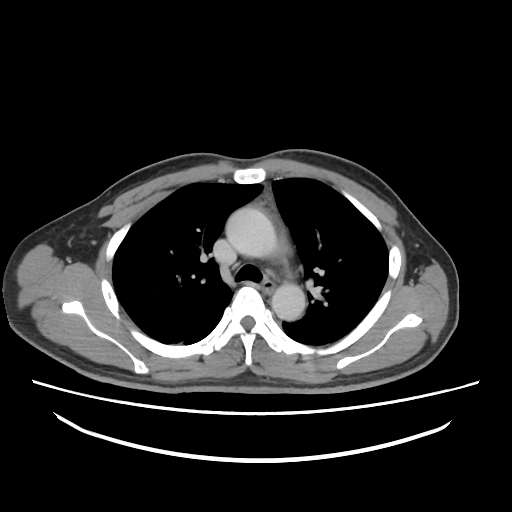 Abdominal CT reaching into the chest; this slice is in the chest · Axial slice 115/133 · soft-tissue window · 512x512 px · Aquilion ONE scanner · 15 organs annotated in this scan (counted over the whole 3D scan, not this slice; an organ is boxed only where this slice passes through it)
At this level of the chest no structure but the esophagus and the aorta has a label in this dataset, and those two are boxed only where they are labeled.
{"organs":{"esophagus":[262,279,273,294],"aorta":[[226,207,276,257],[271,282,305,320]]}}